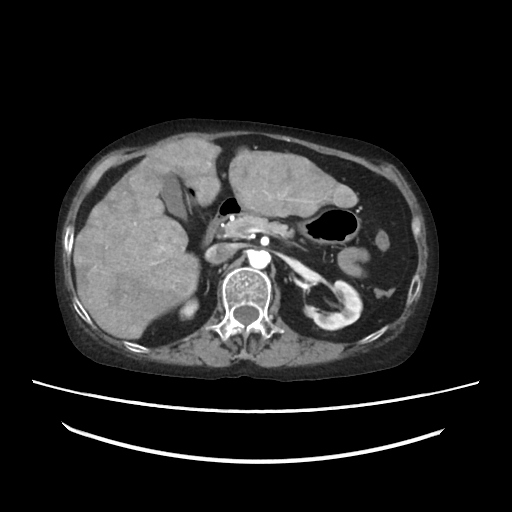

Computed tomography, abdomen — axial plane, index 60
Bounding boxes in pixels, one row per box: x1, y1 is the top-left corner and x2, y2 the bottom-right.
| organ | x1 | y1 | x2 | y2 |
|---|---|---|---|---|
| right kidney | 180 | 300 | 198 | 318 |
| left kidney | 305 | 279 | 361 | 329 |
| gall bladder | 161 | 175 | 185 | 216 |
| liver | 72 | 137 | 359 | 339 |
| stomach | 213 | 198 | 358 | 242 |
| aorta | 249 | 250 | 271 | 268 |
| inferior vena cava | 209 | 244 | 234 | 262 |
| pancreas | 224 | 213 | 294 | 239 |
| duodenum | 202 | 219 | 218 | 247 |